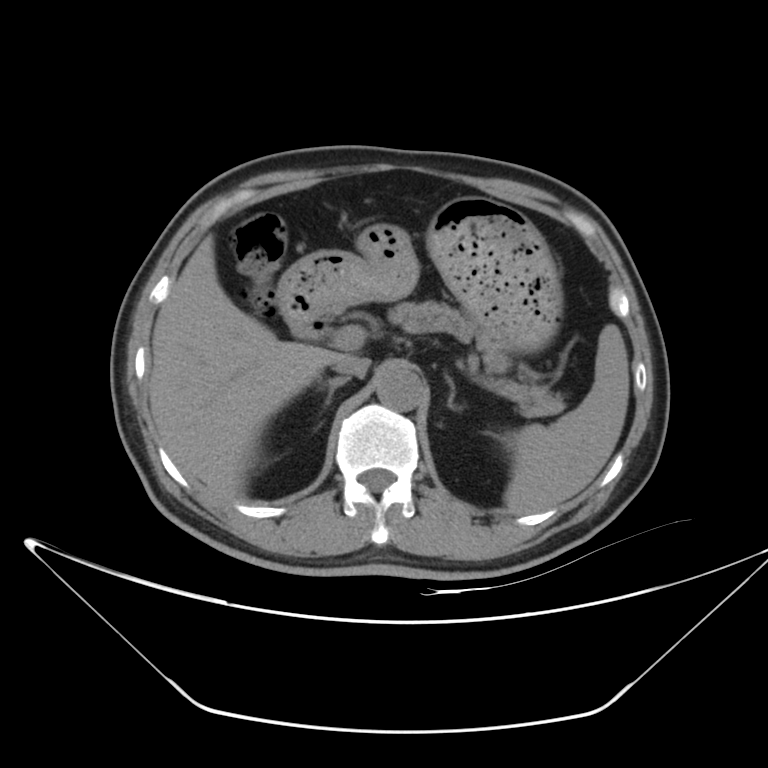 CT abdomen. axial view. abdomen soft-tissue window. 56-year-old male patient
Boxes: x1:y1:x2:y2 in pixels. The annotated organs in this slice are: spleen at 502:324:630:515, liver at 149:235:345:501, stomach at 279:196:562:352, aorta at 377:367:423:411, inferior vena cava at 334:356:369:377, pancreas at 388:300:564:417, right adrenal gland at 317:377:350:409, left adrenal gland at 446:377:462:410, duodenum at 289:310:340:339.